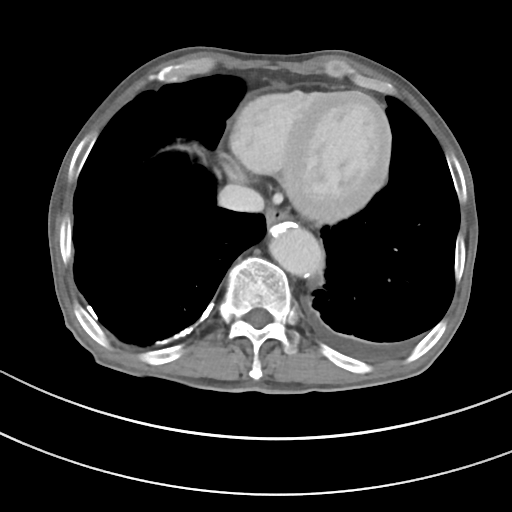 Abdominal CT; this slice is in the lower chest, just above the liver · axial view · 512x512 px · 15 organs annotated in this scan (a whole-scan count: organs this slice does not pass through have no box)
The heart and lungs are never labeled in this dataset, so they have no box on this slice.
Coordinates as <box>x1,y1,x2,y2</box> in pixels.
Organ bounding boxes:
- aorta: <box>269,223,323,277</box>
- esophagus: <box>266,207,292,234</box>
- inferior vena cava: <box>218,184,264,212</box>